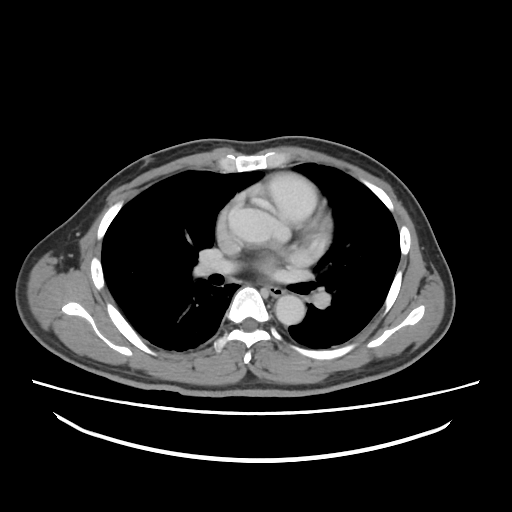 Lower-chest slice from an abdominal CT, just above the liver and spleen; axial plane, index 107
No part of the heart or lungs is labeled in this dataset, so neither has a box here.
Bounding boxes as [x1, y1, x2, y2] in pixel coordinates.
esophagus: [266, 285, 285, 297]
aorta: [228, 208, 291, 243]
aorta: [275, 294, 305, 325]